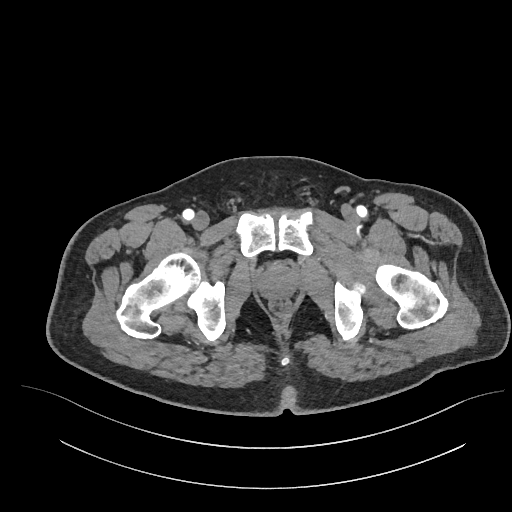

CT abdomen · axial view · W/L 400/40 HU · 512x512 px · SOMATOM Force scanner · scan has 15 labeled organs (a whole-scan count: organs this slice does not pass through have no box)
Bounding boxes as [x1, y1, x2, y2] in pixel coordinates.
Organ bounding boxes:
- prostate/uterus: [258, 263, 298, 298]